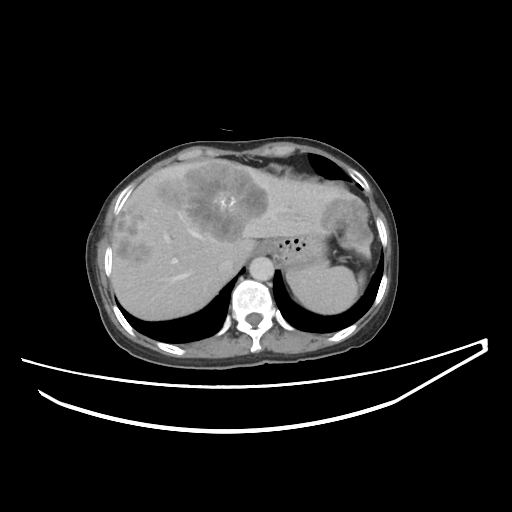 CT, abdomen/pelvis. axial view. Aquilion ONE scanner
Bounding boxes in pixels, one row per box: x1, y1 is the top-left corner and x2, y2 the bottom-right.
| organ | x1 | y1 | x2 | y2 |
|---|---|---|---|---|
| stomach | 272 | 235 | 327 | 267 |
| aorta | 249 | 256 | 274 | 280 |
| liver | 111 | 158 | 370 | 320 |
| spleen | 287 | 259 | 361 | 314 |
| esophagus | 255 | 241 | 271 | 254 |
| inferior vena cava | 218 | 259 | 233 | 273 |